Abdominal CT. Axial slice 146/280. soft-tissue window. 512x512 px. 15 organs annotated in this scan (a whole-scan count: organs this slice does not pass through have no box)
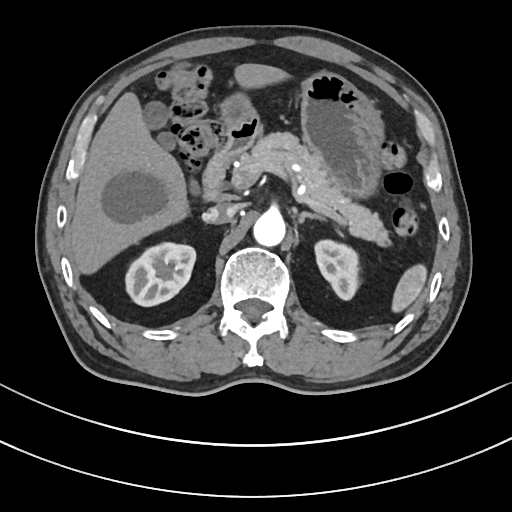

<organs><organ name="spleen" x1="391" y1="265" x2="426" y2="312"/><organ name="right kidney" x1="124" y1="242" x2="195" y2="306"/><organ name="left kidney" x1="314" y1="239" x2="359" y2="301"/><organ name="gall bladder" x1="144" y1="102" x2="199" y2="195"/><organ name="liver" x1="71" y1="63" x2="286" y2="271"/><organ name="stomach" x1="220" y1="73" x2="383" y2="198"/><organ name="aorta" x1="253" y1="212" x2="285" y2="247"/><organ name="inferior vena cava" x1="203" y1="205" x2="235" y2="224"/><organ name="pancreas" x1="242" y1="134" x2="390" y2="244"/><organ name="left adrenal gland" x1="297" y1="212" x2="322" y2="224"/><organ name="duodenum" x1="201" y1="117" x2="260" y2="201"/></organs>